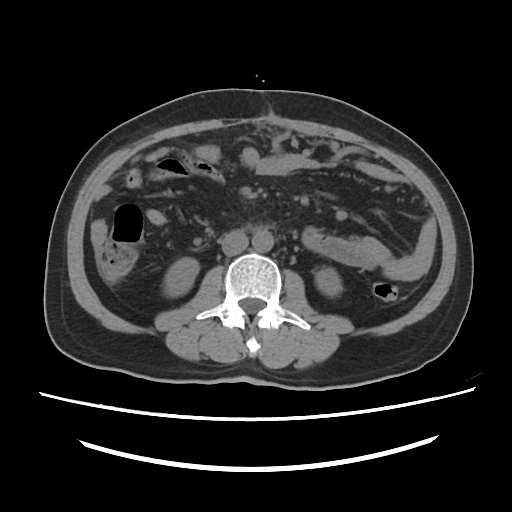 Abdominal CT · axial view · abdomen soft-tissue window · 512x512 px · 49-year-old male patient
Boxes: x1:y1:x2:y2 in pixels.
Organ bounding boxes:
- right kidney: 163:257:199:297
- left kidney: 315:267:342:296
- aorta: 252:230:273:252
- inferior vena cava: 221:231:248:255